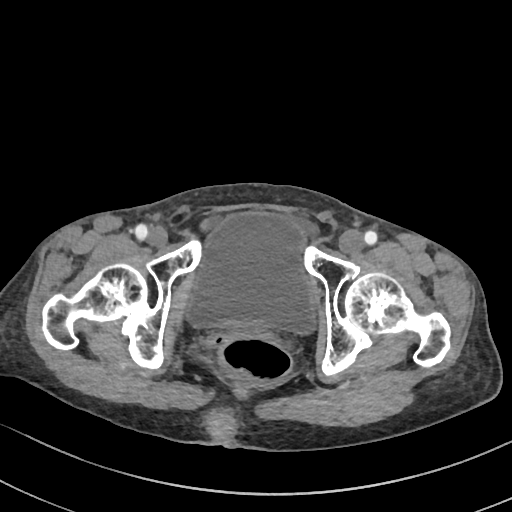
CT abdomen · axial view · W/L 400/40 HU
Boxes are (x1, y1, x2, y2) in pixels.
bladder: (187, 213, 314, 333)